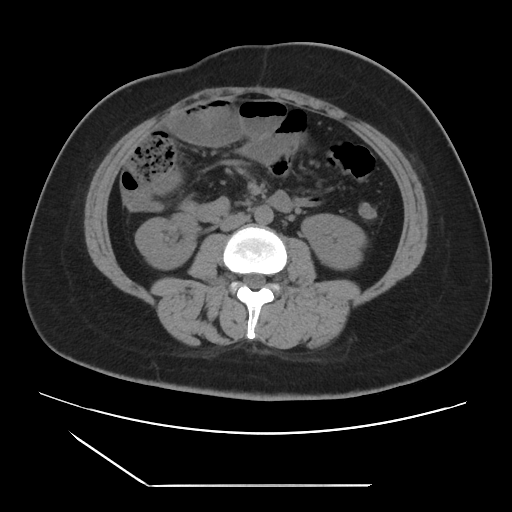
Computed tomography, abdomen; axial view; 512x512 px
Boxes: x1 y1 x2 y2 (pixel coords, space-separated).
right kidney: 135 213 198 269
left kidney: 301 214 366 269
aorta: 254 205 273 224
inferior vena cava: 220 213 249 230
duodenum: 269 192 292 211